Computed tomography, abdomen · axial view · 512x512 px · 15 organs annotated in this scan (that count is for the whole scan; organs this slice misses have no box)
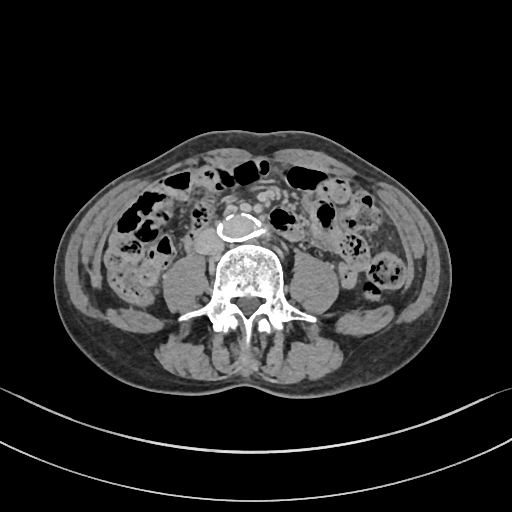
Bounding boxes as [x1, y1, x2, y2] in pixel coordinates.
aorta: [219, 214, 256, 240]
inferior vena cava: [195, 228, 226, 254]